CT abdomen. Axial slice 162/175. abdomen soft-tissue window. 512x512 px. scan has 15 labeled organs (a whole-scan count: organs this slice does not pass through have no box)
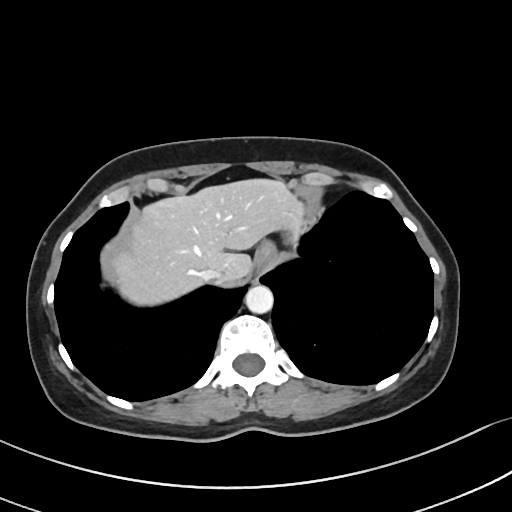
Bounding boxes as [x1, y1, x2, y2] in pixel coordinates. Labeled organs on this slice: inferior vena cava at [200, 269, 221, 282], aorta at [245, 285, 273, 313], stomach at [259, 228, 298, 260], esophagus at [256, 248, 270, 267], liver at [110, 178, 301, 305].